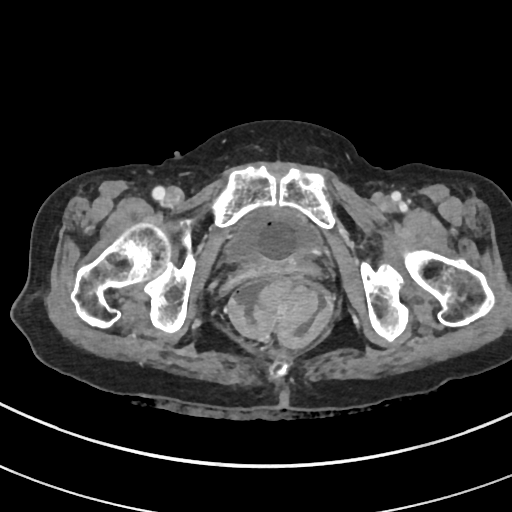
Abdominal CT · axial plane, index 12 · W/L 400/40 HU · acquired on SOMATOM Force
Bounding boxes in pixels, one row per box: x1, y1 is the top-left corner and x2, y2 the bottom-right.
| organ | x1 | y1 | x2 | y2 |
|---|---|---|---|---|
| bladder | 224 | 207 | 324 | 262 |